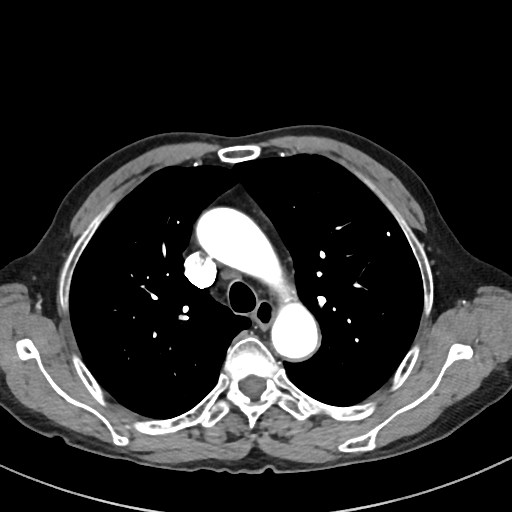

CT of the abdomen extending into the chest, slice through the chest. axial view. soft-tissue window
On a slice this high in the chest, this dataset labels only the esophagus and the aorta, and each is boxed only where it is labeled; the heart, lungs and other chest structures are not labeled.
Box edges are left/top/right/bottom in pixels.
Organ bounding boxes:
- aorta: left=196, top=207, right=318, bottom=359
- esophagus: left=253, top=302, right=275, bottom=326